CT abdomen · axial view · scan has 15 labeled organs (that count is for the whole scan; organs this slice misses have no box)
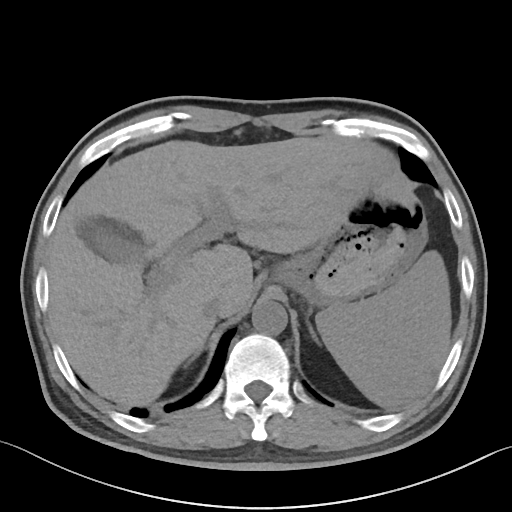
Coordinates as <box>x1,y1,x2,y2</box> in pixels.
Organ bounding boxes:
- spleen: <box>315,250,450,406</box>
- gall bladder: <box>76,216,146,264</box>
- liver: <box>47,136,443,406</box>
- stomach: <box>273,166,427,306</box>
- aorta: <box>252,301,287,334</box>
- inferior vena cava: <box>202,297,223,318</box>
- right adrenal gland: <box>192,339,208,360</box>
- left adrenal gland: <box>307,322,319,344</box>